Magnetic resonance imaging, abdomen. Coronal slice 38/144. 1st–99th percentile window. Prisma scanner
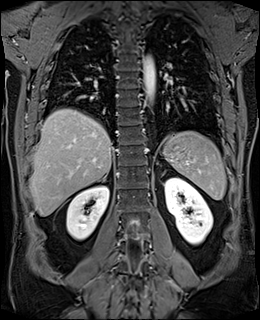 <organs><organ name="spleen" x1="163" y1="131" x2="226" y2="199"/><organ name="right kidney" x1="66" y1="185" x2="109" y2="239"/><organ name="left kidney" x1="164" y1="177" x2="213" y2="244"/><organ name="liver" x1="30" y1="109" x2="112" y2="216"/><organ name="aorta" x1="142" y1="55" x2="155" y2="100"/><organ name="right adrenal gland" x1="97" y1="171" x2="108" y2="182"/></organs>